CT, abdomen/pelvis. Axial slice 76/105. 768x768 px. 15 organs annotated in this scan (that count is for the whole scan; organs this slice misses have no box)
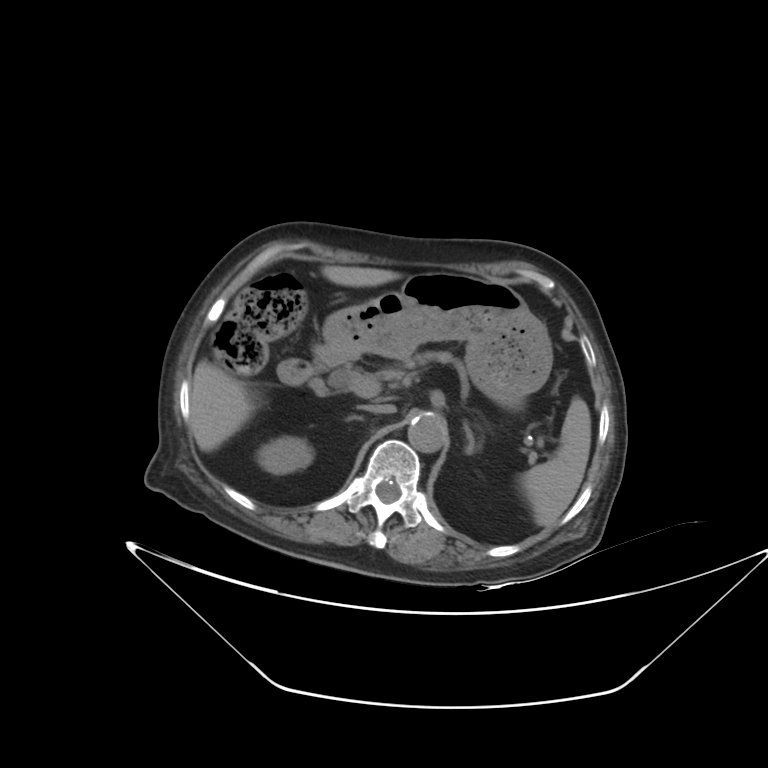

Boxes: x1 y1 x2 y2 (pixel coords, space-separated).
Organ bounding boxes:
- left adrenal gland: 464 423 481 454
- right kidney: 257 436 312 474
- pancreas: 374 350 464 380
- duodenum: 278 339 361 395
- right adrenal gland: 346 415 363 421
- aorta: 408 413 445 452
- stomach: 323 272 552 410
- liver: 190 265 401 451
- spleen: 520 396 591 526
- inferior vena cava: 360 404 396 413